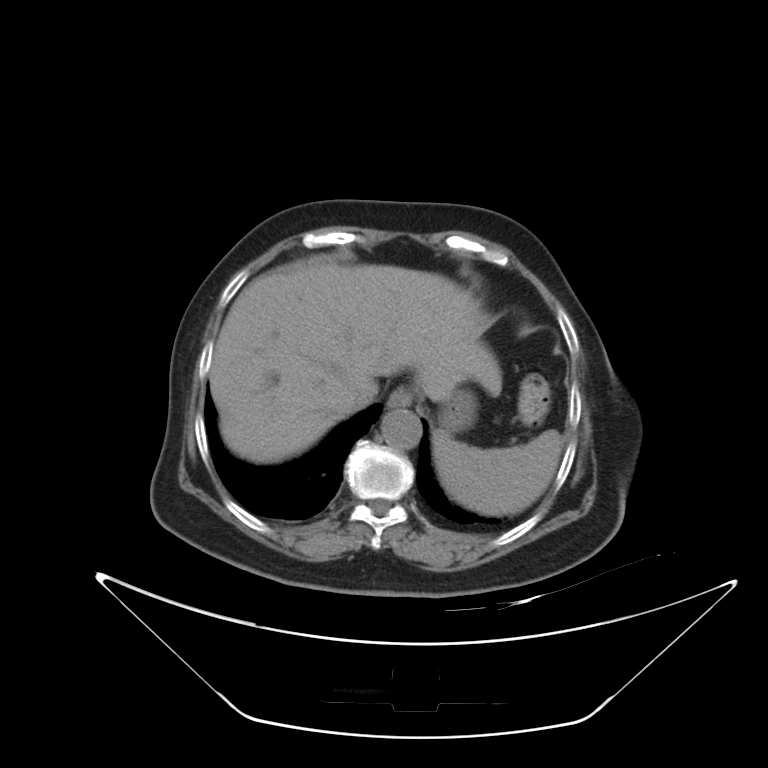 CT, abdomen/pelvis · axial view · scan has 15 labeled organs (that count is for the whole scan; organs this slice misses have no box)
{"organs":{"stomach":[441,392,473,429],"inferior vena cava":[337,383,375,414],"esophagus":[386,388,412,408],"aorta":[380,409,422,449],"liver":[209,262,501,462],"spleen":[432,430,562,515]}}